CT of the abdomen extending into the chest, slice through the chest · axial view · 512x512 px
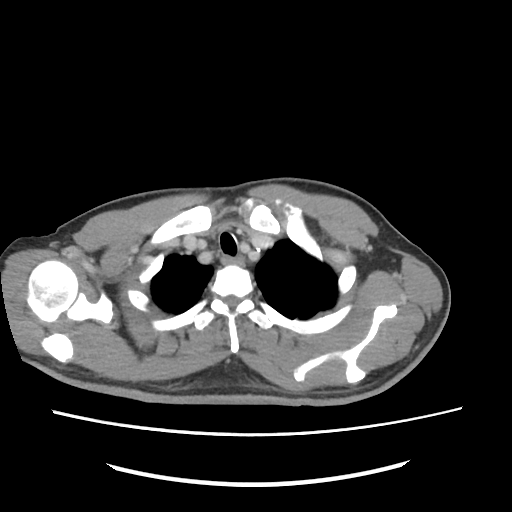

At this level of the chest no structure but the esophagus and the aorta has a label in this dataset, and those two are boxed only where they are labeled. Bounding boxes as [x1, y1, x2, y2] in pixel coordinates. 1 labeled organ on this slice — esophagus at [222, 254, 244, 266].